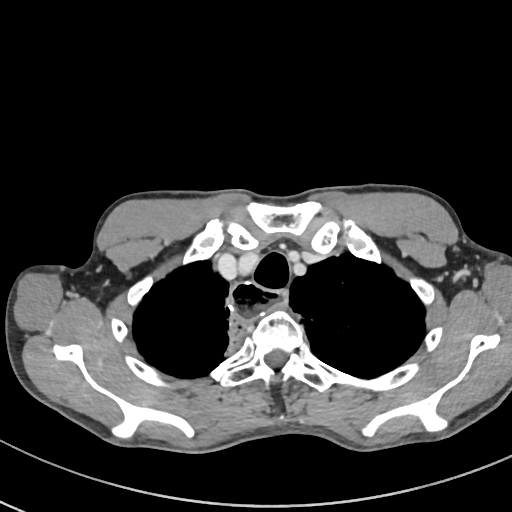

Abdominal CT reaching into the chest; this slice is in the chest; axial view; W/L 400/40 HU; acquired on SOMATOM Force
At this level of the chest no structure but the esophagus and the aorta has a label in this dataset, and those two are boxed only where they are labeled.
Bounding boxes in pixels, one row per box: x1, y1 is the top-left corner and x2, y2 the bottom-right.
| organ | x1 | y1 | x2 | y2 |
|---|---|---|---|---|
| esophagus | 228 | 281 | 288 | 318 |